Computed tomography, abdomen · axial plane, index 53 · scan has 15 labeled organs (counted over the whole 3D scan, not this slice; an organ is boxed only where this slice passes through it)
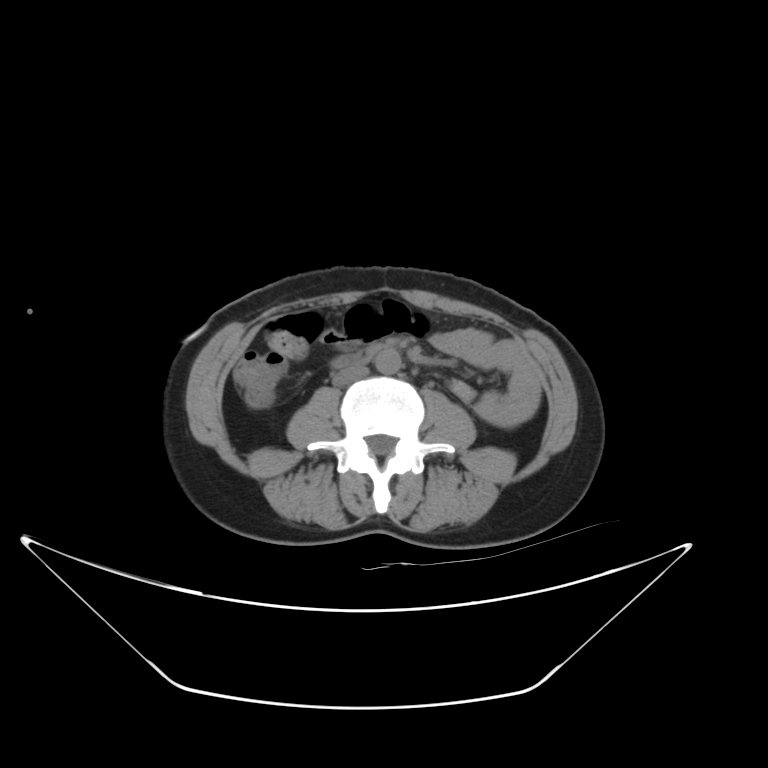

<organs><organ name="aorta" x1="375" y1="349" x2="401" y2="373"/><organ name="inferior vena cava" x1="335" y1="368" x2="368" y2="384"/><organ name="duodenum" x1="334" y1="343" x2="388" y2="371"/></organs>